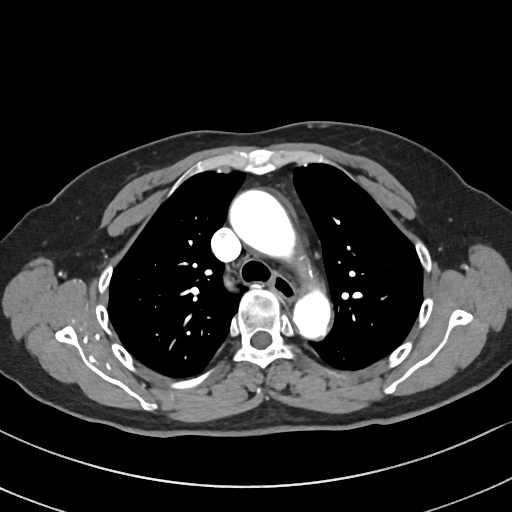

CT of the abdomen extending into the chest, slice through the chest — Axial slice 251/294 — soft-tissue window, W/L 400/40
At this level of the chest no structure but the esophagus and the aorta has a label in this dataset, and those two are boxed only where they are labeled.
<organs><organ name="esophagus" x1="270" y1="273" x2="297" y2="302"/><organ name="aorta" x1="229" y1="189" x2="294" y2="258"/><organ name="aorta" x1="293" y1="290" x2="333" y2="341"/></organs>